Abdominal CT — axial plane, index 56 — soft-tissue window (W 400 / L 40) — 32-year-old female patient
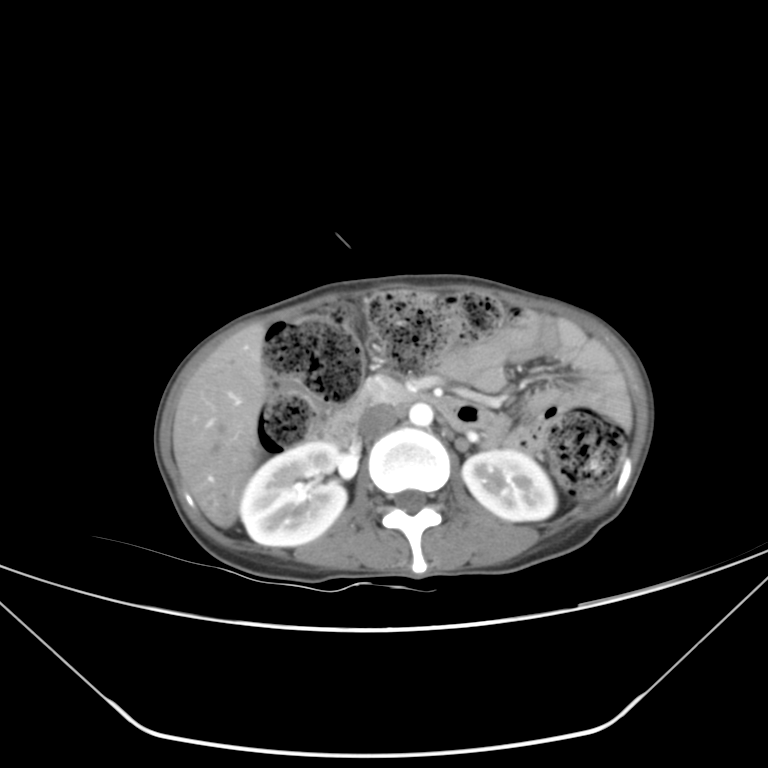
Boxes: x1:y1:x2:y2 in pixels. The annotated organs in this slice are: right kidney at 239:441:346:546, left kidney at 462:450:556:521, duodenum at 308:394:489:444, liver at 173:327:266:527, pancreas at 355:376:413:404, inferior vena cava at 361:406:401:436, aorta at 409:403:433:426.